Computed tomography, abdomen · Axial slice 126/143 · 512x512 px
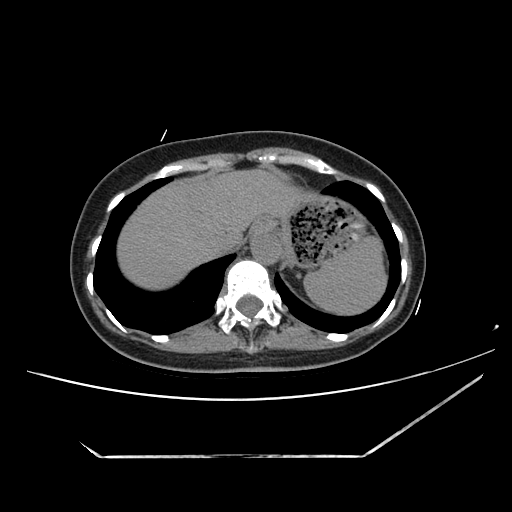

Boxes: x1 y1 x2 y2 (pixel coords, space-separated).
spleen: 304 236 387 313
esophagus: 251 215 278 236
liver: 117 170 305 288
stomach: 278 197 364 265
aorta: 251 233 282 265
inferior vena cava: 206 232 240 256